Computed tomography, abdomen. axial view. soft-tissue window. scan has 15 labeled organs (that count is for the whole scan; organs this slice misses have no box)
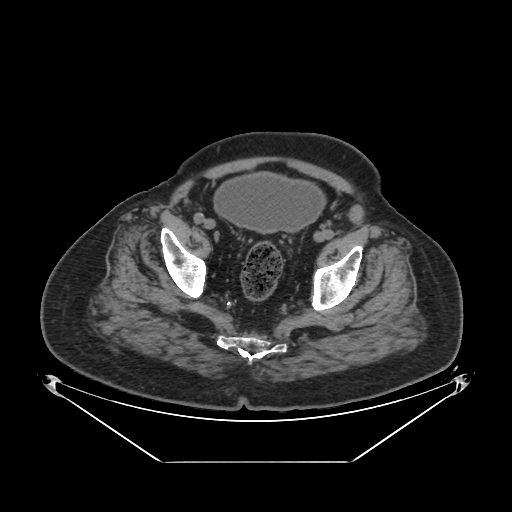
Boxes: x1:y1:x2:y2 in pixels.
Organ bounding boxes:
- bladder: 213:172:326:232